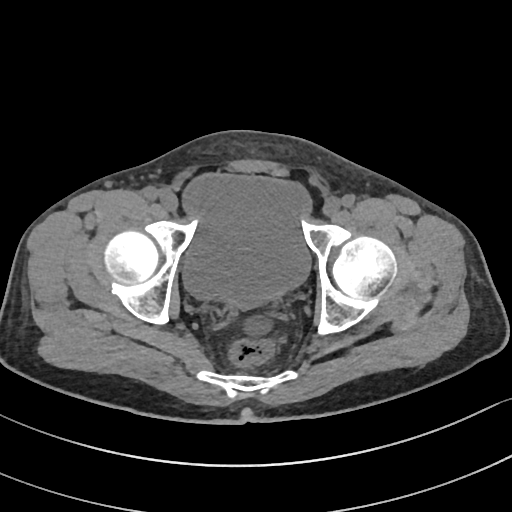
Abdominal CT — axial plane, index 25 — soft-tissue window (W 400 / L 40) — scan has 15 labeled organs (a whole-scan count: organs this slice does not pass through have no box)
Bounding boxes in pixels, one row per box: x1, y1 is the top-left corner and x2, y2 the bottom-right.
| organ | x1 | y1 | x2 | y2 |
|---|---|---|---|---|
| bladder | 182 | 175 | 310 | 305 |